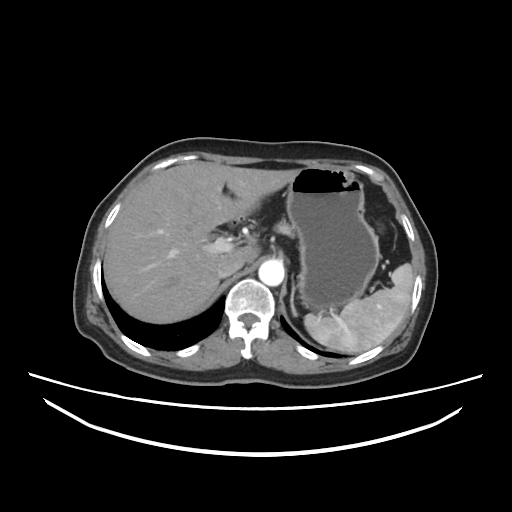 CT, abdomen/pelvis — axial view — 62-year-old female patient — Aquilion ONE scanner — scan has 15 labeled organs (counted over the whole 3D scan, not this slice; an organ is boxed only where this slice passes through it)
Boxes are (x1, y1, x2, y2) in pixels. The annotated organs in this slice are: left adrenal gland at (290, 275, 297, 317), pancreas at (270, 214, 294, 239), liver at (103, 161, 298, 323), stomach at (232, 166, 381, 312), spleen at (304, 264, 413, 352), inferior vena cava at (216, 259, 243, 277), duodenum at (229, 215, 245, 226), aorta at (258, 261, 284, 286).